Abdominal CT. axial view. W/L 400/40 HU. 512x512 px
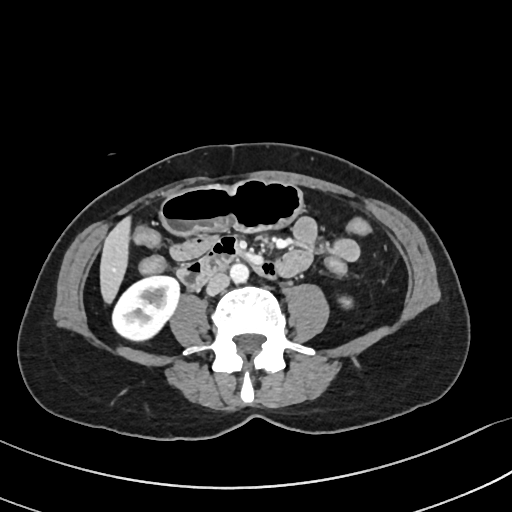
Each box given as x1,y1,x2,y2. The annotated organs in this slice are: right kidney at x1=112, y1=276, x2=180, y2=340, left kidney at x1=337, y1=296, x2=351, y2=307, liver at x1=99, y1=217, x2=131, y2=305, stomach at x1=161, y1=180, x2=303, y2=237, aorta at x1=229, y1=263, x2=248, y2=282, inferior vena cava at x1=206, y1=273, x2=228, y2=295, duodenum at x1=177, y1=234, x2=277, y2=290.